Abdominal CT — axial view — 15 organs annotated in this scan (that count is for the whole scan; organs this slice misses have no box)
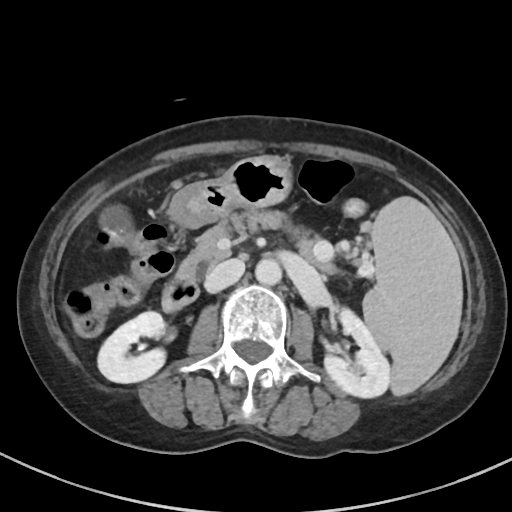 <organs><organ name="inferior vena cava" x1="204" y1="259" x2="244" y2="292"/><organ name="spleen" x1="363" y1="198" x2="461" y2="395"/><organ name="pancreas" x1="174" y1="209" x2="336" y2="285"/><organ name="left kidney" x1="324" y1="308" x2="390" y2="397"/><organ name="aorta" x1="255" y1="259" x2="281" y2="285"/><organ name="duodenum" x1="161" y1="249" x2="367" y2="311"/><organ name="stomach" x1="168" y1="155" x2="292" y2="228"/><organ name="right kidney" x1="97" y1="311" x2="165" y2="383"/><organ name="gall bladder" x1="100" y1="205" x2="132" y2="244"/></organs>